Lower-chest slice from an abdominal CT, just above the liver and spleen; axial view; W/L 400/40 HU; 512x512 px
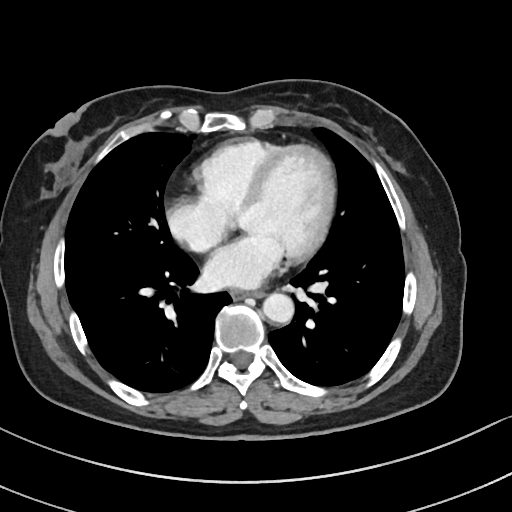

No part of the heart or lungs is labeled in this dataset, so neither has a box here.
<organs><organ name="aorta" x1="263" y1="293" x2="294" y2="323"/><organ name="esophagus" x1="230" y1="289" x2="264" y2="299"/></organs>